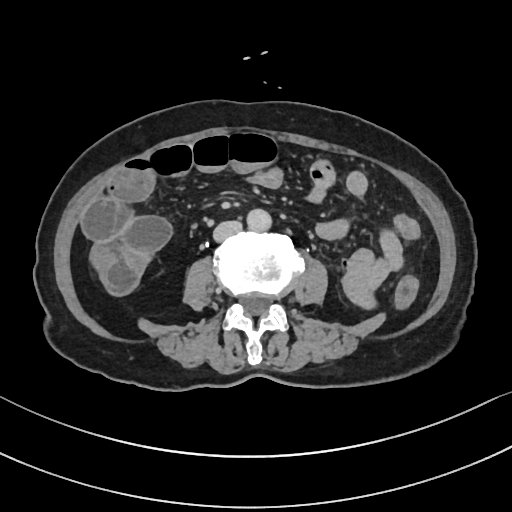 Abdominal CT. axial view. abdomen soft-tissue window
Bounding boxes in pixels, one row per box: x1, y1 is the top-left corner and x2, y2 the bottom-right.
| organ | x1 | y1 | x2 | y2 |
|---|---|---|---|---|
| aorta | 248 | 209 | 273 | 231 |
| inferior vena cava | 213 | 221 | 242 | 242 |